Computed tomography, abdomen · Axial slice 69/92 · 512x512 px · 60-year-old female patient · Aquilion ONE scanner
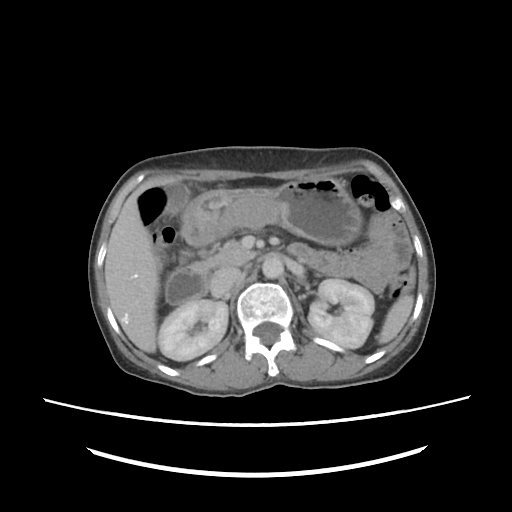
{"organs":{"spleen":[377,295,413,350],"duodenum":[164,244,337,304],"inferior vena cava":[209,267,240,297],"aorta":[262,255,282,277],"pancreas":[189,239,257,272],"left kidney":[308,278,374,348],"right kidney":[159,299,227,362],"stomach":[182,177,363,246],"liver":[105,175,183,352],"gall bladder":[166,185,189,215]}}